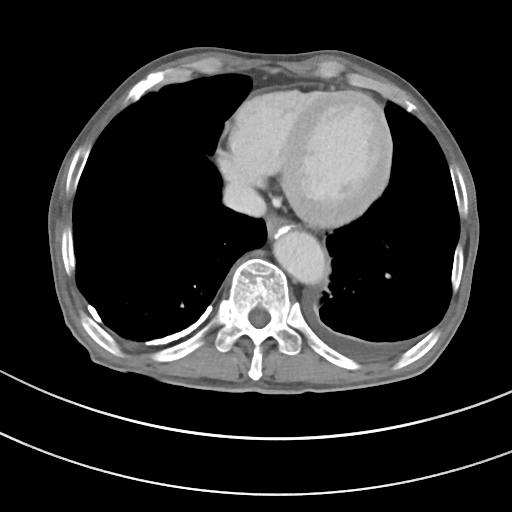
Abdominal CT; this slice is in the lower chest, just above the liver. axial view
Of the structures in the chest, this dataset labels only the esophagus, the aorta and the inferior vena cava; the heart and lungs have no label.
Box edges are left/top/right/bottom in pixels.
esophagus: left=266, top=214, right=291, bottom=240
aorta: left=273, top=230, right=327, bottom=284
inferior vena cava: left=223, top=182, right=266, bottom=217